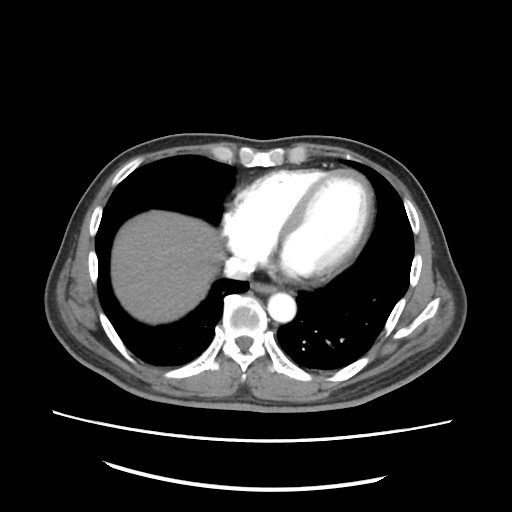 Abdominal CT. axial view. soft-tissue window. 512x512 px. 15 organs annotated in this scan (counted over the whole 3D scan, not this slice; an organ is boxed only where this slice passes through it)
One row per box, in pixels: columns x1 and y1 give the top-left corner, x2 and y2 the bottom-right.
| organ | x1 | y1 | x2 | y2 |
|---|---|---|---|---|
| inferior vena cava | 224 | 256 | 254 | 279 |
| liver | 112 | 211 | 221 | 324 |
| esophagus | 251 | 282 | 278 | 294 |
| aorta | 267 | 293 | 296 | 322 |